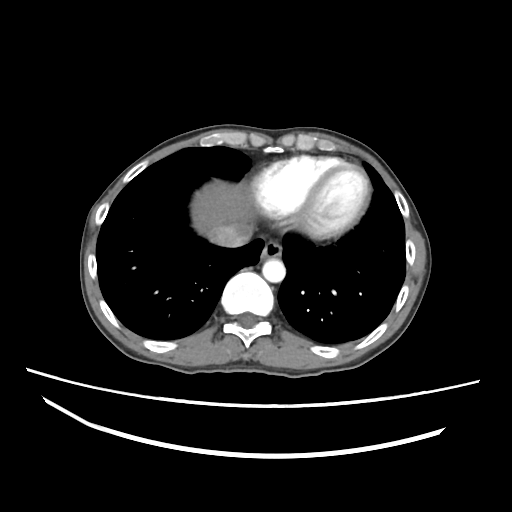 Abdominal CT. axial view
Bounding boxes as [x1, y1, x2, y2] in pixel coordinates. 4 labeled organs on this slice — esophagus at [260, 239, 282, 258]; liver at [191, 180, 251, 235]; aorta at [262, 258, 285, 282]; inferior vena cava at [209, 224, 251, 247].